CT, abdomen/pelvis. axial view. W/L 400/40 HU. 15 organs annotated in this scan (that count is for the whole scan; organs this slice misses have no box)
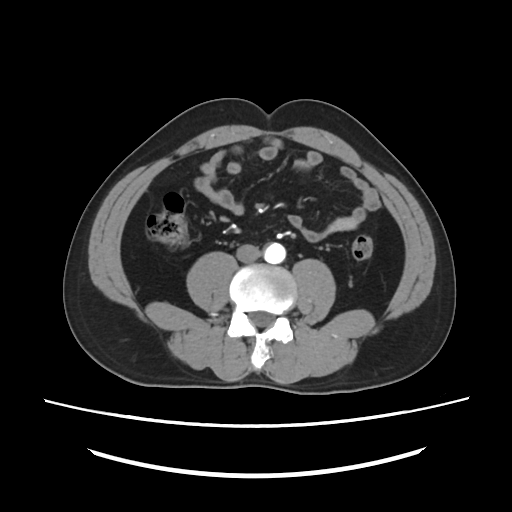
<organs><organ name="aorta" x1="263" y1="242" x2="285" y2="264"/><organ name="inferior vena cava" x1="236" y1="244" x2="260" y2="262"/></organs>